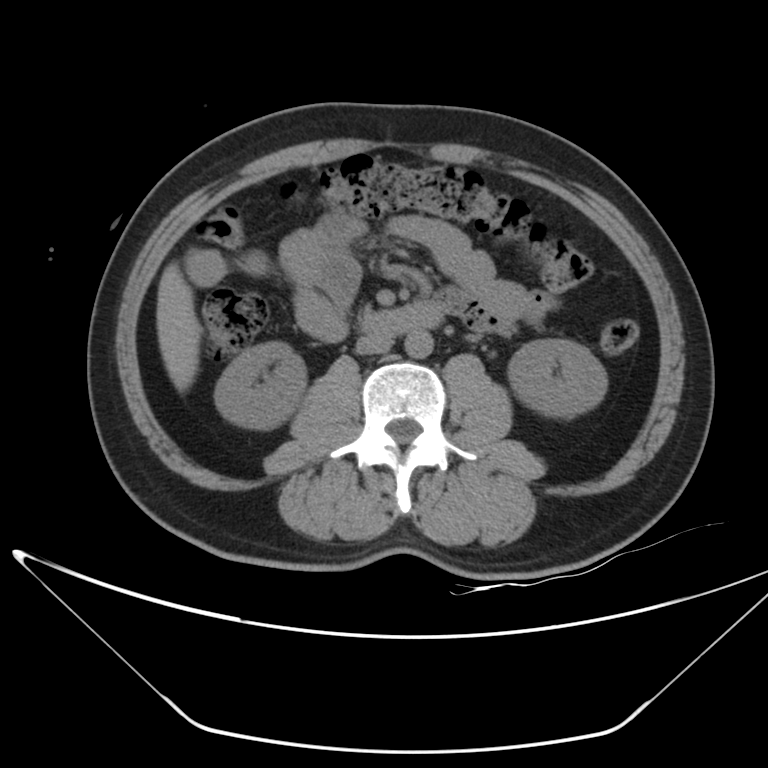 Abdominal CT · axial view · 768x768 px
Organ boxes in pixel coordinates; each row gives the top-left (x1, y1) and bottom-right (x2, y2) corners.
| organ | x1 | y1 | x2 | y2 |
|---|---|---|---|---|
| aorta | 405 | 331 | 433 | 358 |
| liver | 156 | 262 | 201 | 392 |
| right kidney | 215 | 341 | 306 | 429 |
| left kidney | 509 | 338 | 607 | 417 |
| duodenum | 362 | 301 | 444 | 334 |
| inferior vena cava | 356 | 334 | 393 | 355 |